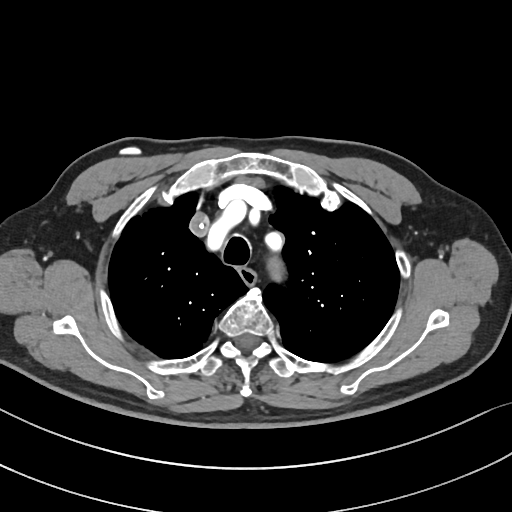
Abdominal CT reaching into the chest; this slice is in the chest. Axial slice 280/306. W/L 400/40 HU. 512x512 px. acquired on SOMATOM Force. 15 organs annotated in this scan (that count is for the whole scan; organs this slice misses have no box)
On a slice this high in the chest, this dataset labels only the esophagus and the aorta, and each is boxed only where it is labeled; the heart, lungs and other chest structures are not labeled.
Boxes: x1:y1:x2:y2 in pixels.
Organ bounding boxes:
- esophagus: 237:266:255:283